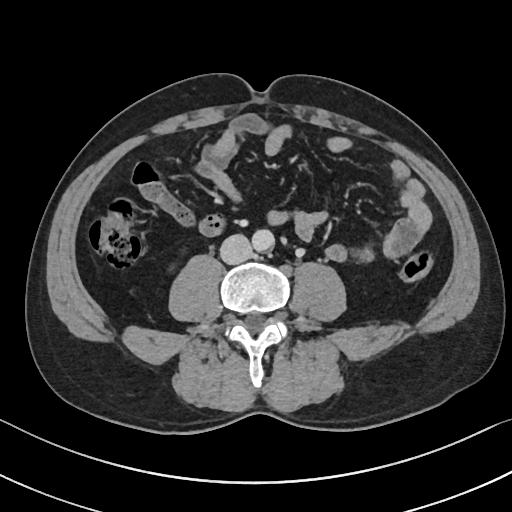 CT, abdomen/pelvis; axial view; abdomen soft-tissue window; scan has 15 labeled organs (a whole-scan count: organs this slice does not pass through have no box)
Boxes: x1 y1 x2 y2 (pixel coords, space-separated).
aorta: 252 229 274 252
inferior vena cava: 220 234 252 264